CT, abdomen/pelvis; axial view; W/L 400/40 HU; 512x512 px; scan has 15 labeled organs (that count is for the whole scan; organs this slice misses have no box)
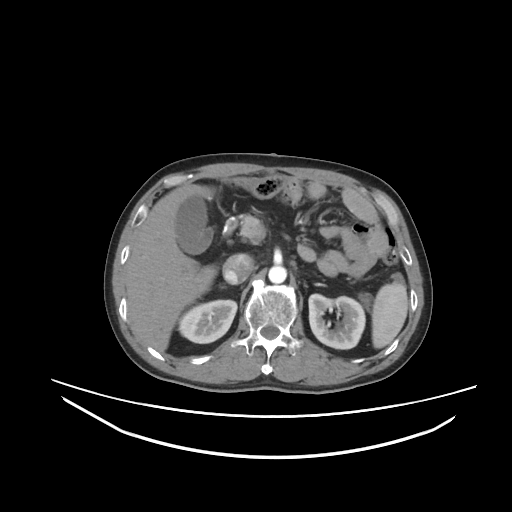 Organ boxes in pixel coordinates; each row gives the top-left (x1, y1) and bottom-right (x2, y2) corners.
| organ | x1 | y1 | x2 | y2 |
|---|---|---|---|---|
| spleen | 371 | 282 | 408 | 348 |
| right kidney | 178 | 300 | 237 | 343 |
| left kidney | 308 | 294 | 365 | 349 |
| gall bladder | 176 | 195 | 213 | 253 |
| liver | 124 | 183 | 217 | 352 |
| aorta | 268 | 266 | 286 | 283 |
| inferior vena cava | 223 | 254 | 253 | 284 |
| pancreas | 240 | 215 | 261 | 239 |
| duodenum | 226 | 220 | 237 | 233 |